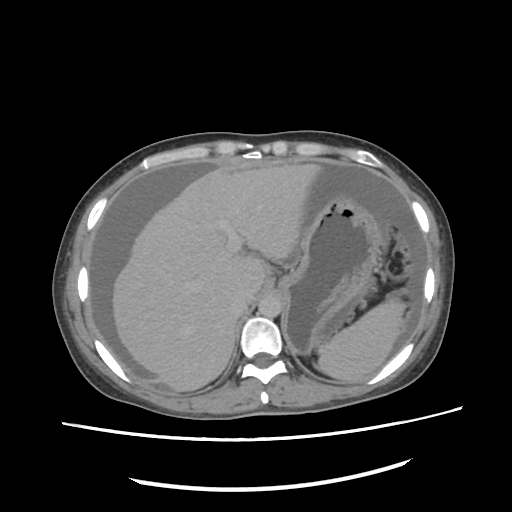

CT, abdomen/pelvis; Axial slice 95/112; soft-tissue window (W 400 / L 40); 512x512 px; 15 organs annotated in this scan (counted over the whole 3D scan, not this slice; an organ is boxed only where this slice passes through it)
Coordinates as <box>x1,y1,x2,y2</box> in pixels.
Organ bounding boxes:
- spleen: <box>316,301,404,381</box>
- liver: <box>112,164,323,391</box>
- stomach: <box>278,198,379,352</box>
- aorta: <box>258,297,281,318</box>
- inferior vena cava: <box>232,287,257,315</box>